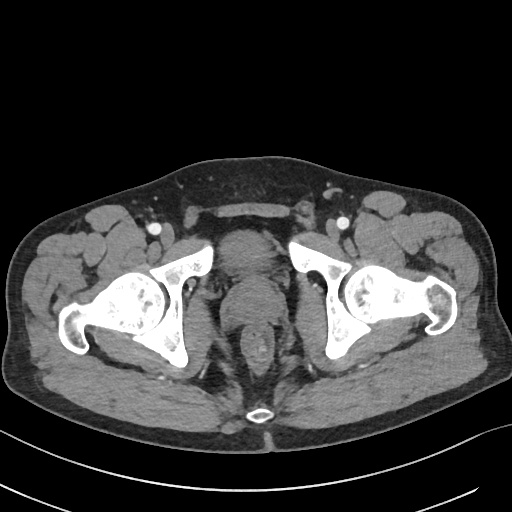 CT abdomen — axial view — acquired on SOMATOM Force — scan has 15 labeled organs (that count is for the whole scan; organs this slice misses have no box)
{"organs":{"bladder":[220,230,269,269],"prostate/uterus":[229,276,282,323]}}